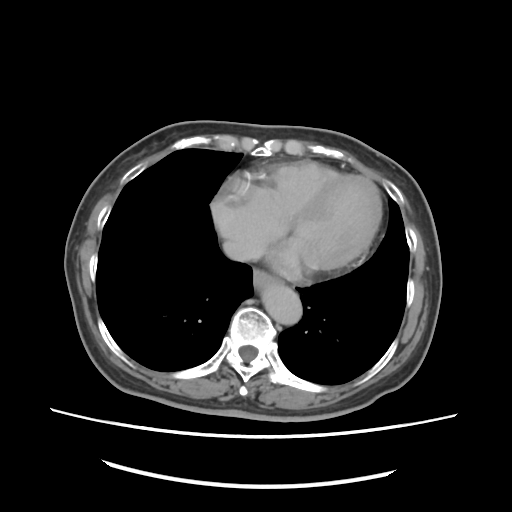

CT of the abdomen reaching into the lower chest, slice just above the liver and spleen — axial plane, index 86
The heart and lungs are never labeled in this dataset, so they have no box on this slice.
{"organs":{"esophagus":[253,267,271,287],"aorta":[262,279,300,323],"inferior vena cava":[222,238,261,260]}}